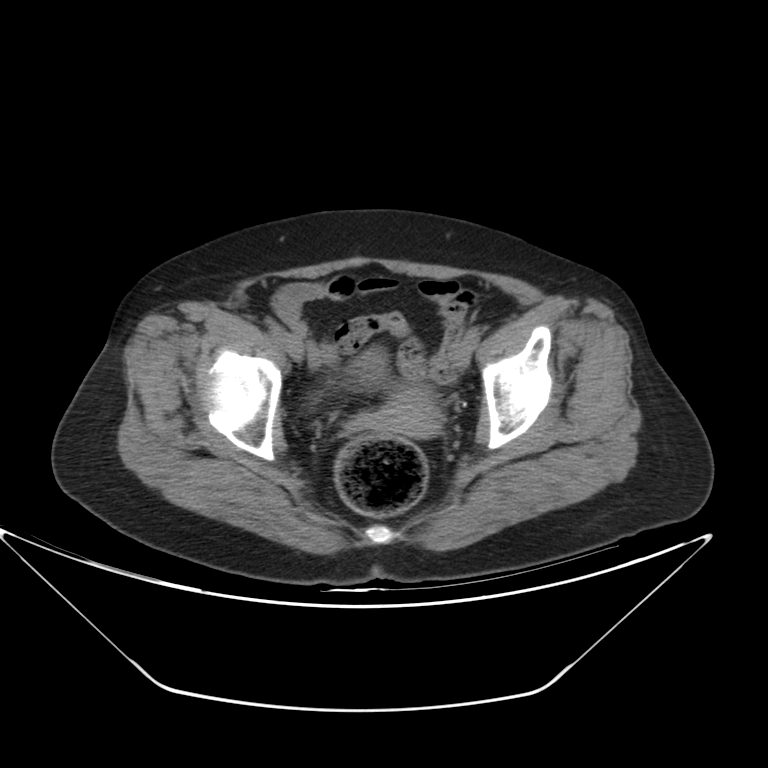

CT, abdomen/pelvis · axial view · 768x768 px · scan has 15 labeled organs (a whole-scan count: organs this slice does not pass through have no box)
<organs><organ name="bladder" x1="353" y1="348" x2="387" y2="384"/><organ name="prostate/uterus" x1="371" y1="388" x2="438" y2="437"/></organs>